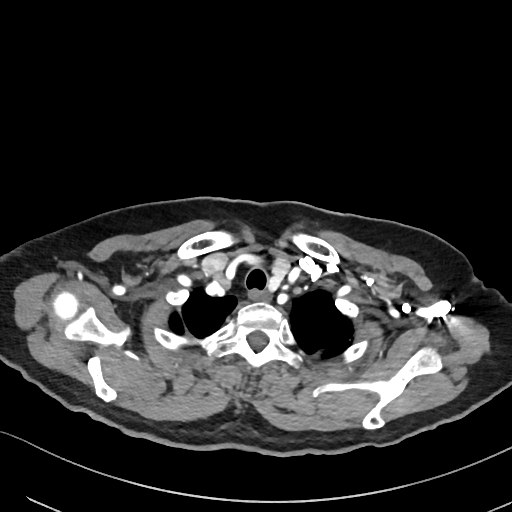 Chest-level slice from an abdominal CT that extends up into the chest. axial view. soft-tissue window (W 400 / L 40). scan has 15 labeled organs (a whole-scan count: organs this slice does not pass through have no box)
At this level of the chest this dataset labels only the esophagus and the aorta, and each is boxed only where it is labeled; the heart and lungs are never labeled.
Boxes are (x1, y1, x2, y2) in pixels.
Organ bounding boxes:
- esophagus: (249, 291, 271, 300)